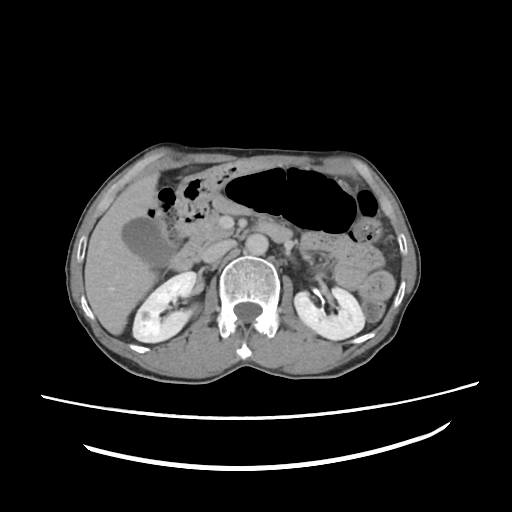
Abdominal CT; axial plane, index 60; W/L 400/40 HU
Boxes: x1 y1 x2 y2 (pixel coords, space-separated).
Organ bounding boxes:
- right kidney: 132 271 196 343
- left kidney: 295 286 363 339
- gall bladder: 122 217 169 267
- liver: 84 174 158 335
- stomach: 175 161 275 212
- aorta: 245 232 267 254
- inferior vena cava: 201 240 234 262
- pancreas: 191 211 227 247
- duodenum: 172 204 292 270